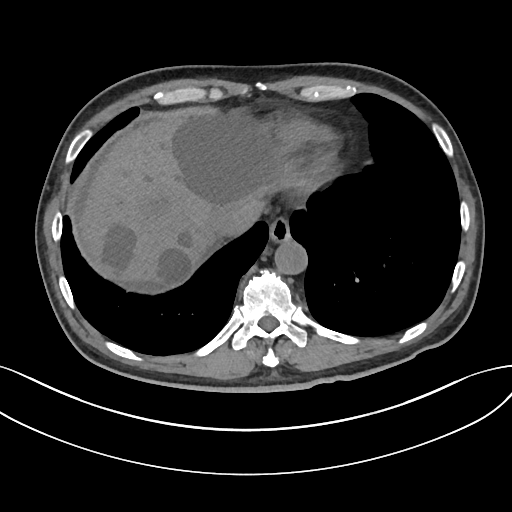

CT, abdomen/pelvis. Axial slice 191/213. W/L 400/40 HU. SOMATOM Force scanner
Each box given as x1,y1,x2,y2. The annotated organs in this slice are: esophagus at x1=269, y1=219, x2=291, y2=244, liver at x1=78, y1=111, x2=282, y2=282, aorta at x1=275, y1=241, x2=308, y2=275, inferior vena cava at x1=213, y1=199, x2=256, y2=235.